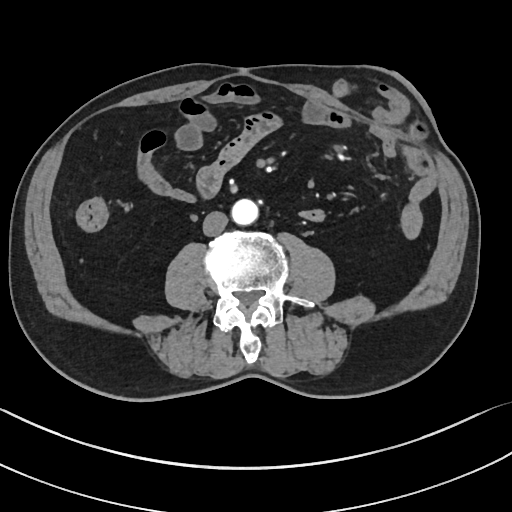

Abdominal CT. axial view. 512x512 px
Boxes: x1:y1:x2:y2 in pixels. Labeled organs on this slice: aorta at 231:199:258:225, inferior vena cava at 203:211:228:236.